Computed tomography, abdomen. Axial slice 150/242. abdomen soft-tissue window
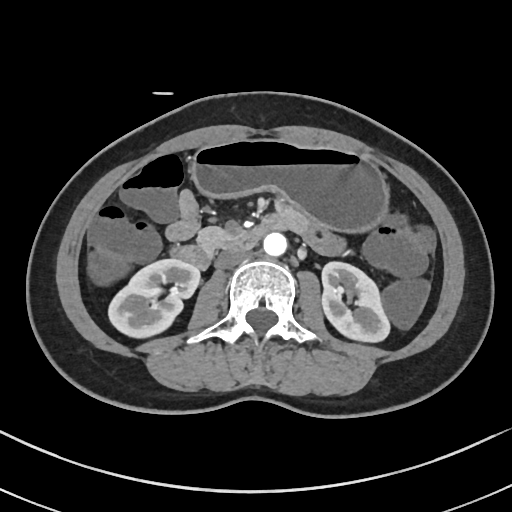

{"organs":{"right kidney":[108,258,199,336],"left kidney":[321,261,389,341],"stomach":[192,138,387,232],"aorta":[263,231,287,255],"inferior vena cava":[215,248,249,267],"pancreas":[198,226,230,250],"duodenum":[171,218,282,268]}}